Lower-chest slice from an abdominal CT, just above the liver and spleen; Axial slice 235/314; W/L 400/40 HU; 512x512 px
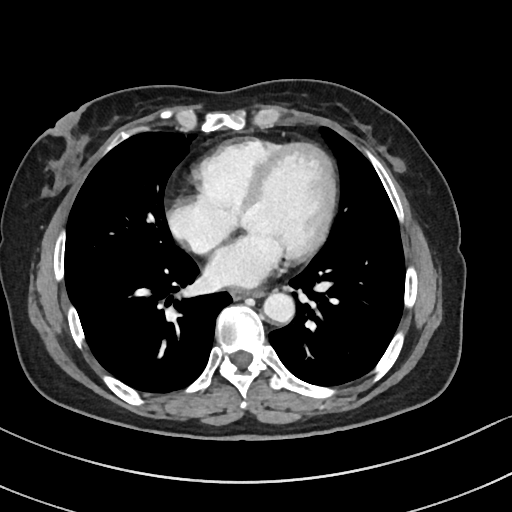
The heart and lungs are never labeled in this dataset, so they have no box on this slice.
{"organs":{"esophagus":[230,289,264,299],"aorta":[263,293,294,323]}}